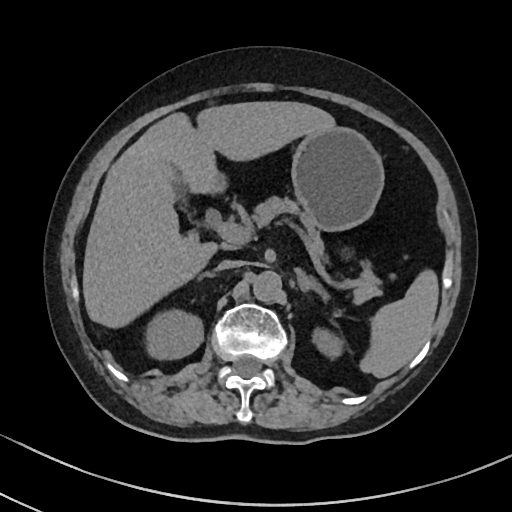

Abdominal CT; axial view; soft-tissue window (W 400 / L 40)
{"organs":{"spleen":[359,269,438,378],"gall bladder":[174,174,185,200],"aorta":[253,271,283,303],"right kidney":[144,308,203,359],"duodenum":[212,177,224,189],"left adrenal gland":[298,271,328,301],"inferior vena cava":[215,260,241,271],"left kidney":[312,328,341,358],"liver":[82,101,336,328],"right adrenal gland":[197,270,215,280],"pancreas":[252,196,381,302],"stomach":[291,127,384,231]}}